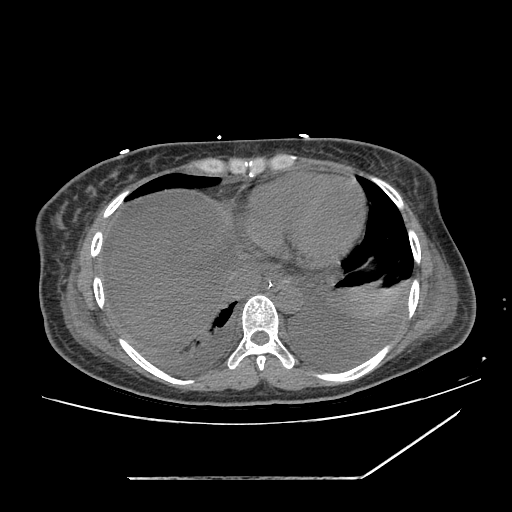
Abdominal CT · axial view
Box edges are left/top/right/bottom in pixels.
Organ bounding boxes:
- esophagus: left=261, top=275, right=292, bottom=290
- liver: left=108, top=197, right=239, bottom=346
- stomach: left=277, top=284, right=288, bottom=292
- aorta: left=276, top=284, right=302, bottom=312
- inferior vena cava: left=225, top=260, right=261, bottom=297